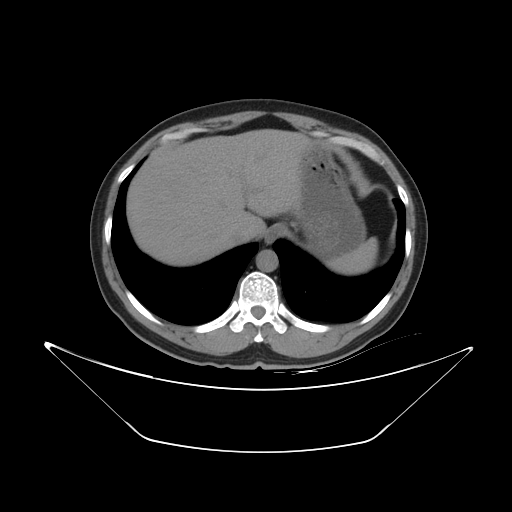 Computed tomography, abdomen. axial view. 512x512 px. Brilliance16 scanner
Boxes are (x1, y1, x2, y2) in pixels.
spleen: (326, 237, 378, 274)
esophagus: (264, 223, 284, 243)
liver: (126, 129, 309, 266)
stomach: (291, 140, 366, 260)
aorta: (256, 249, 278, 271)
inferior vena cava: (228, 229, 247, 243)